CT, abdomen/pelvis — axial view — soft-tissue window — 512x512 px — acquired on Aquilion ONE
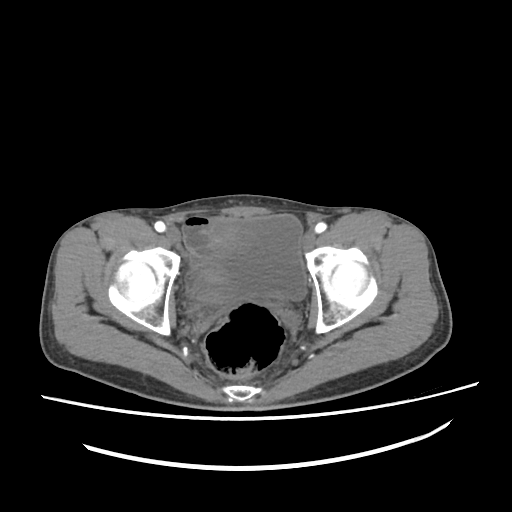

Bounding boxes as [x1, y1, x2, y2] in pixel coordinates.
Organ bounding boxes:
- bladder: [194, 214, 306, 301]